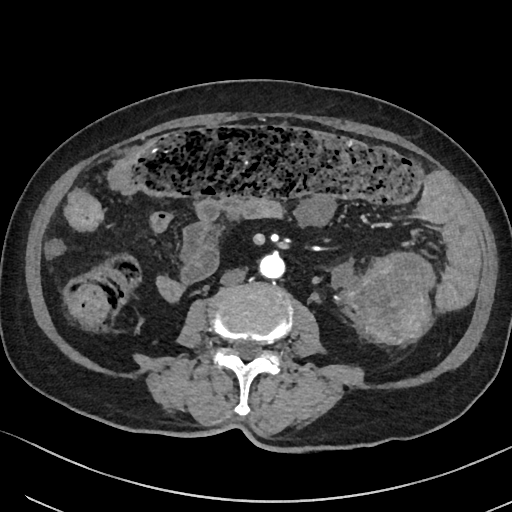

Computed tomography, abdomen — axial view — 15 organs annotated in this scan (that count is for the whole scan; organs this slice misses have no box)
Box edges are left/top/right/bottom in pixels.
Organ bounding boxes:
- aorta: left=260, top=254, right=285, bottom=279
- inferior vena cava: left=220, top=269, right=246, bottom=285